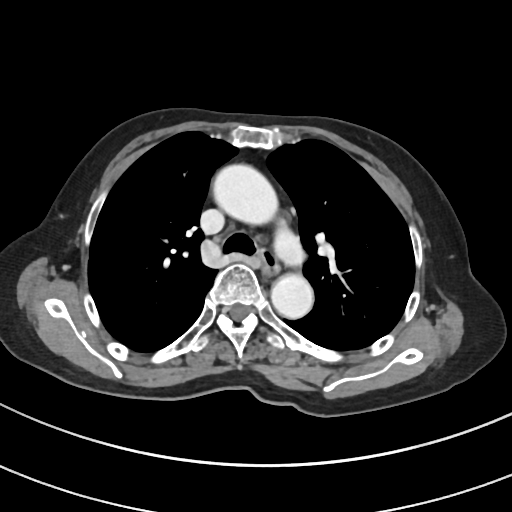
Chest-level CT slice, above the liver and spleen · axial view · soft-tissue window (W 400 / L 40) · 512x512 px · 15 organs annotated in this scan (a whole-scan count: organs this slice does not pass through have no box)
At this level of the chest this dataset labels only the esophagus and the aorta, and each is boxed only where it is labeled; the heart and lungs are never labeled.
Box edges are left/top/right/bottom in pixels.
Organ bounding boxes:
- aorta: left=212, top=164, right=277, bottom=224
- aorta: left=271, top=274, right=313, bottom=318
- esophagus: left=261, top=250, right=279, bottom=275